Abdominal CT — axial plane, index 16 — abdomen soft-tissue window — 768x768 px
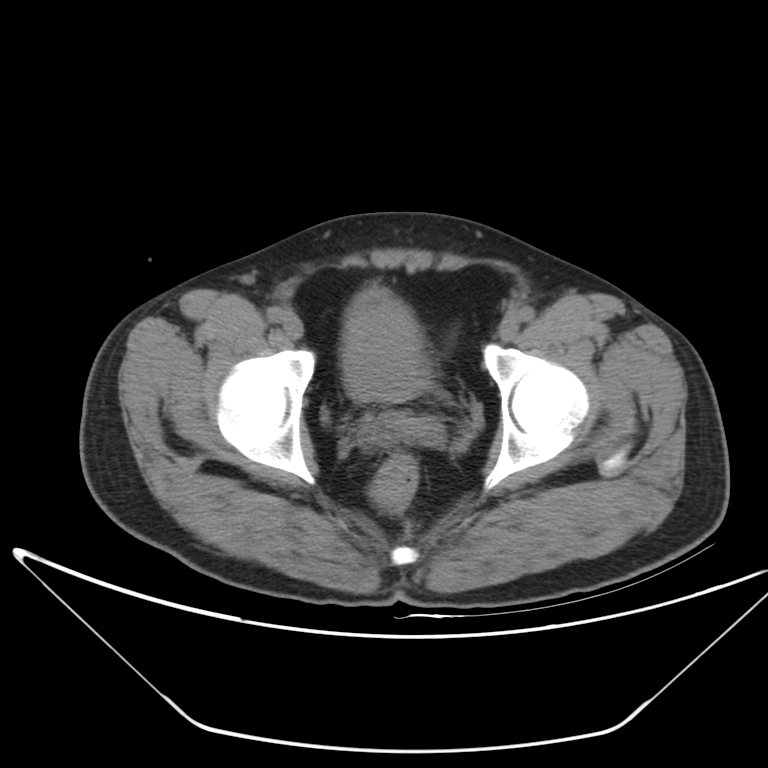

Boxes: x1 y1 x2 y2 (pixel coords, space-separated). Labeled organs on this slice: bladder at 342 289 429 401.